CT of the abdomen extending into the chest, slice through the chest — Axial slice 100/116
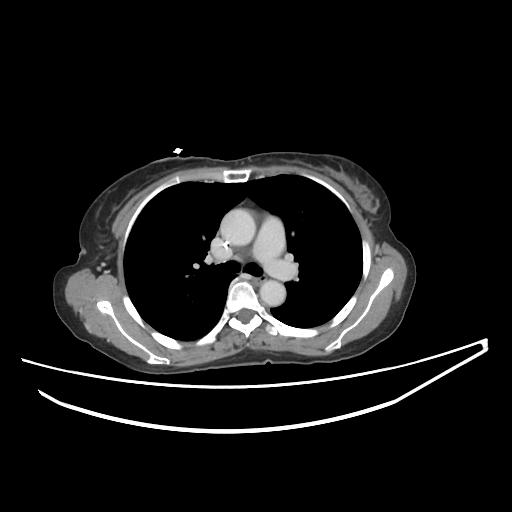
At this level of the chest this dataset labels only the esophagus and the aorta, and each is boxed only where it is labeled; the heart and lungs are never labeled.
<organs><organ name="esophagus" x1="252" y1="277" x2="266" y2="285"/><organ name="aorta" x1="220" y1="209" x2="255" y2="246"/><organ name="aorta" x1="259" y1="280" x2="285" y2="306"/></organs>